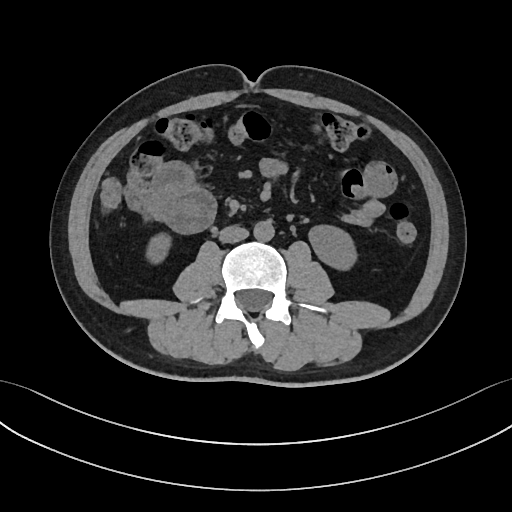 CT, abdomen/pelvis — axial view — 15 organs annotated in this scan (counted over the whole 3D scan, not this slice; an organ is boxed only where this slice passes through it)
{"organs":{"right kidney":[149,236,170,262],"left kidney":[308,225,356,269],"aorta":[253,220,274,241],"inferior vena cava":[219,225,248,242]}}